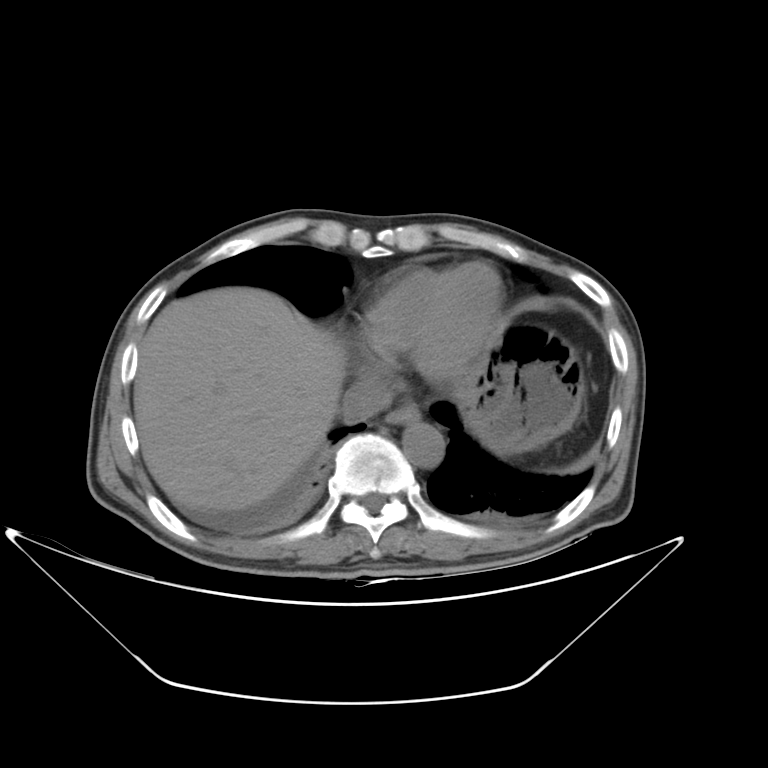 CT, abdomen/pelvis — axial view — soft-tissue window — 768x768 px — 65-year-old male patient — 15 organs annotated in this scan (counted over the whole 3D scan, not this slice; an organ is boxed only where this slice passes through it)
<organs><organ name="esophagus" x1="384" y1="404" x2="421" y2="424"/><organ name="liver" x1="134" y1="287" x2="346" y2="511"/><organ name="stomach" x1="463" y1="323" x2="585" y2="454"/><organ name="aorta" x1="402" y1="422" x2="444" y2="467"/><organ name="inferior vena cava" x1="341" y1="378" x2="392" y2="424"/></organs>